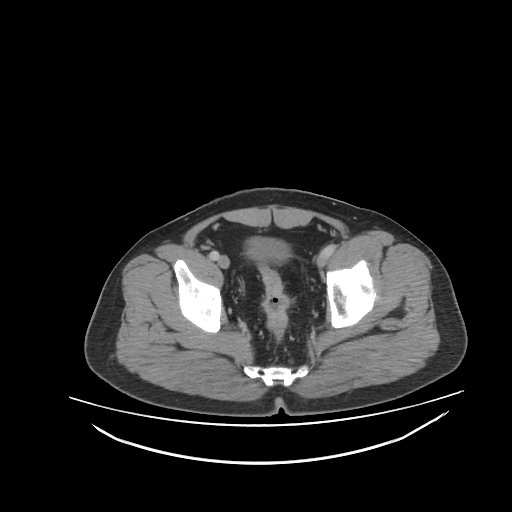

Computed tomography, abdomen — Axial slice 26/96 — 512x512 px — Aquilion ONE scanner
{"organs":{"bladder":[244,237,287,261]}}